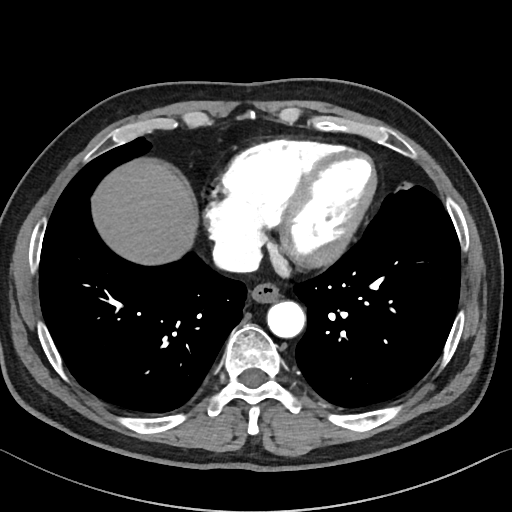

Computed tomography, abdomen — axial plane, index 205 — 15 organs annotated in this scan (counted over the whole 3D scan, not this slice; an organ is boxed only where this slice passes through it)
{"organs":{"esophagus":[249,284,278,303],"liver":[92,160,195,264],"aorta":[267,301,305,338],"inferior vena cava":[213,240,260,271]}}